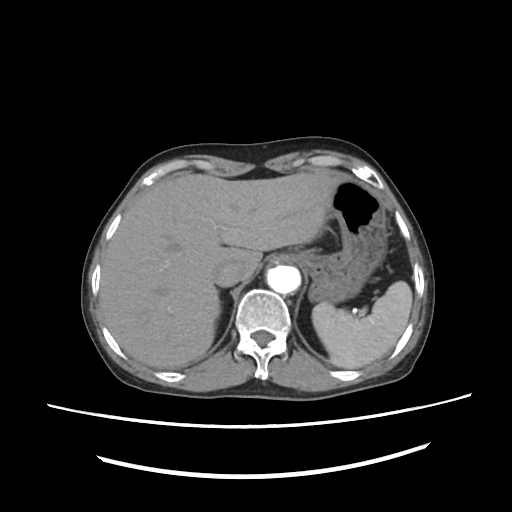

CT, abdomen/pelvis — axial view — abdomen soft-tissue window — 512x512 px — 67-year-old male patient
Boxes are (x1, y1, x2, y2) in pixels.
spleen: (312, 280, 411, 368)
liver: (99, 171, 340, 367)
stomach: (303, 177, 385, 306)
aorta: (268, 265, 300, 293)
inferior vena cava: (212, 263, 240, 285)